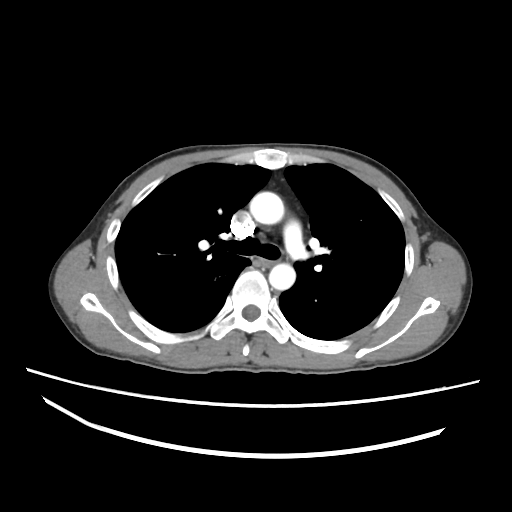 Chest-level slice from an abdominal CT that extends up into the chest. Axial slice 117/140. W/L 400/40 HU. 512x512 px. acquired on Aquilion ONE
On a slice this high in the chest, this dataset labels only the esophagus and the aorta, and each is boxed only where it is labeled; the heart, lungs and other chest structures are not labeled.
Bounding boxes in pixels, one row per box: x1, y1 is the top-left corner and x2, y2 the bottom-right.
| organ | x1 | y1 | x2 | y2 |
|---|---|---|---|---|
| aorta | 250 | 191 | 284 | 224 |
| aorta | 268 | 263 | 295 | 290 |